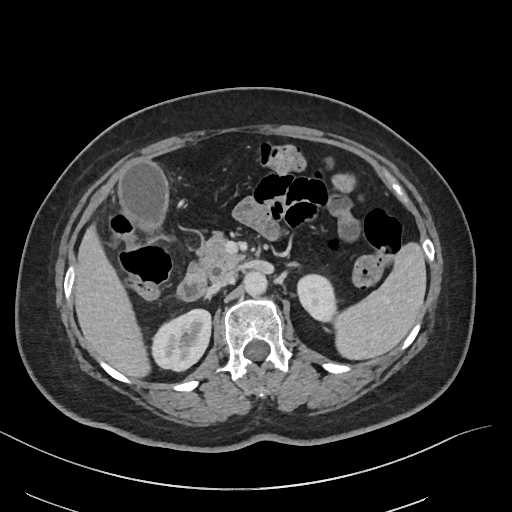

CT abdomen · axial plane, index 165 · W/L 400/40 HU · SOMATOM Force scanner
Boxes are (x1, y1, x2, y2) in pixels.
spleen: (334, 242, 426, 359)
right kidney: (152, 309, 211, 370)
left kidney: (297, 274, 336, 321)
gall bladder: (119, 161, 167, 231)
liver: (74, 225, 150, 377)
aorta: (244, 271, 267, 296)
inferior vena cava: (213, 270, 234, 286)
pancreas: (188, 232, 243, 278)
left adrenal gland: (289, 264, 297, 267)
duodenum: (177, 273, 206, 301)